CT, abdomen/pelvis — axial view — 512x512 px
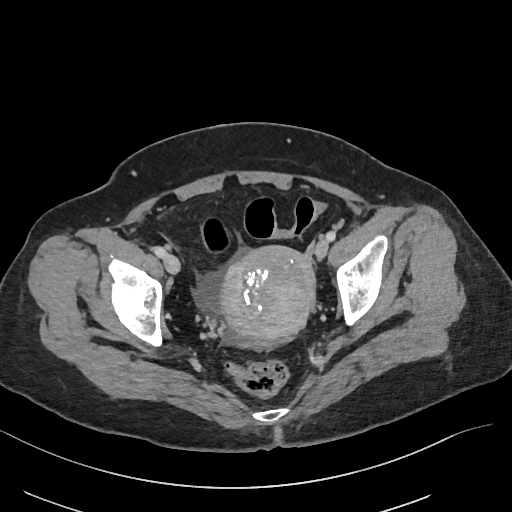

Boxes: x1:y1:x2:y2 in pixels. 1 labeled organ on this slice — prostate/uterus at 219:246:315:340.